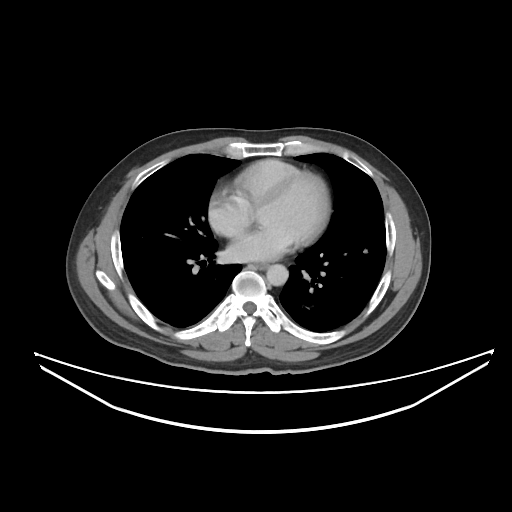

Abdominal CT; this slice is in the lower chest, just above the liver; axial view; 512x512 px
The heart and lungs are never labeled in this dataset, so they have no box on this slice.
<organs><organ name="esophagus" x1="252" y1="262" x2="268" y2="269"/><organ name="aorta" x1="266" y1="264" x2="288" y2="285"/></organs>